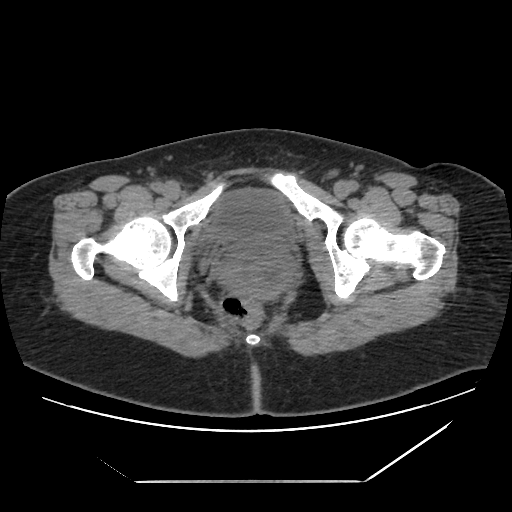
Abdominal CT — axial plane, index 21 — 512x512 px
Bounding boxes as [x1, y1, x2, y2] in pixel coordinates.
bladder: [199, 188, 292, 250]